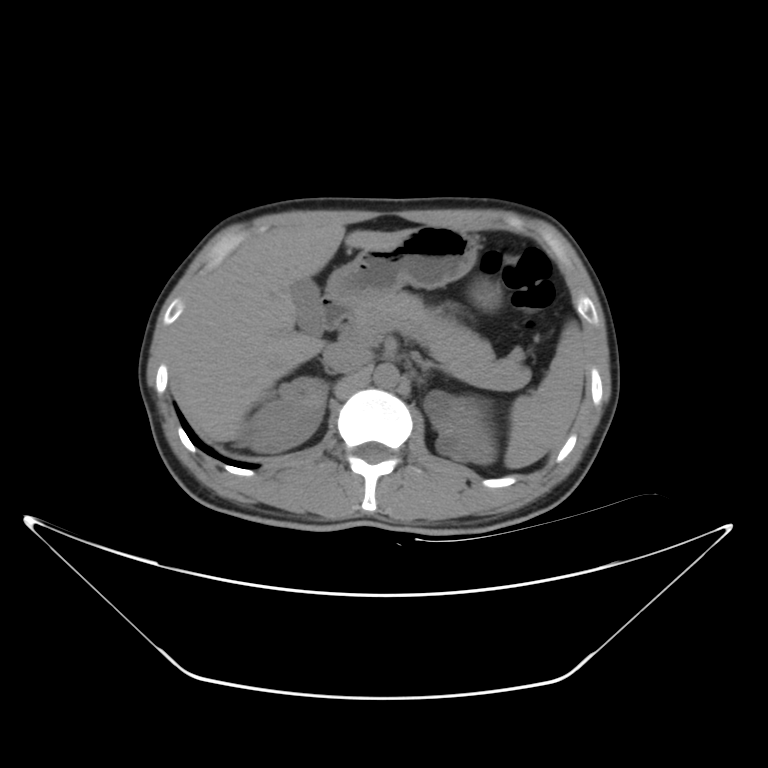

Abdominal CT; axial view
Box edges are left/top/right/bottom in pixels. 12 labeled organs on this slice — spleen at left=504, top=320, right=586, bottom=470; right kidney at left=240, top=376, right=326, bottom=449; left kidney at left=421, top=390, right=495, bottom=465; gall bladder at left=293, top=281, right=323, bottom=334; liver at left=170, top=214, right=411, bottom=442; stomach at left=326, top=226, right=503, bottom=312; aorta at left=373, top=362, right=397, bottom=386; inferior vena cava at left=320, top=340, right=368, bottom=371; pancreas at left=350, top=291, right=495, bottom=368; right adrenal gland at left=308, top=361, right=334, bottom=373; left adrenal gland at left=422, top=361, right=444, bottom=382; duodenum at left=323, top=295, right=349, bottom=332.